Abdominal CT. axial view. 768x768 px. 15 organs annotated in this scan (a whole-scan count: organs this slice does not pass through have no box)
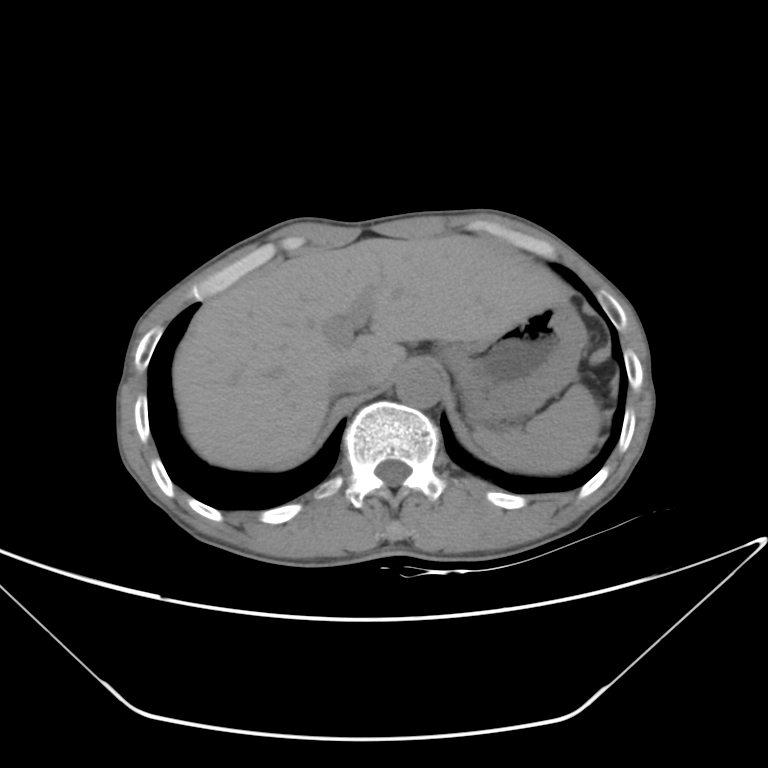 <organs><organ name="spleen" x1="474" y1="385" x2="601" y2="473"/><organ name="liver" x1="172" y1="234" x2="570" y2="470"/><organ name="stomach" x1="442" y1="302" x2="585" y2="424"/><organ name="aorta" x1="396" y1="365" x2="444" y2="407"/><organ name="inferior vena cava" x1="328" y1="365" x2="371" y2="395"/></organs>